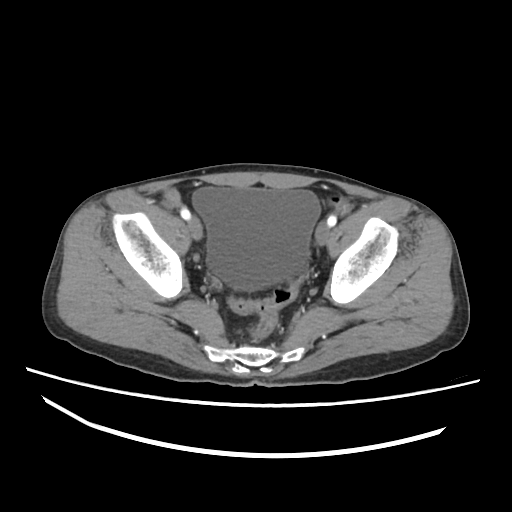
Computed tomography, abdomen; Axial slice 31/140; 512x512 px; 40-year-old male patient
<organs><organ name="bladder" x1="192" y1="186" x2="320" y2="290"/></organs>